Computed tomography, abdomen · axial view · 512x512 px · scan has 15 labeled organs (counted over the whole 3D scan, not this slice; an organ is boxed only where this slice passes through it)
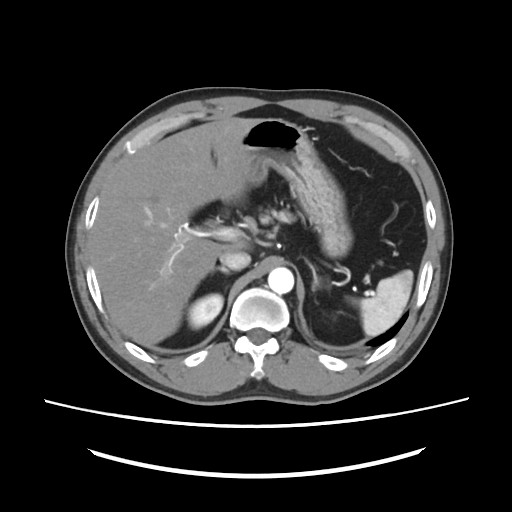
Boxes: x1 y1 x2 y2 (pixel coords, space-separated). Labeled organs on this slice: spleen at 358 270 413 337, right kidney at 187 293 223 328, liver at 90 117 257 345, stomach at 231 118 352 257, aorta at 268 267 294 294, inferior vena cava at 219 250 250 269, pancreas at 259 209 292 224, right adrenal gland at 213 267 230 274, left adrenal gland at 308 262 319 290.